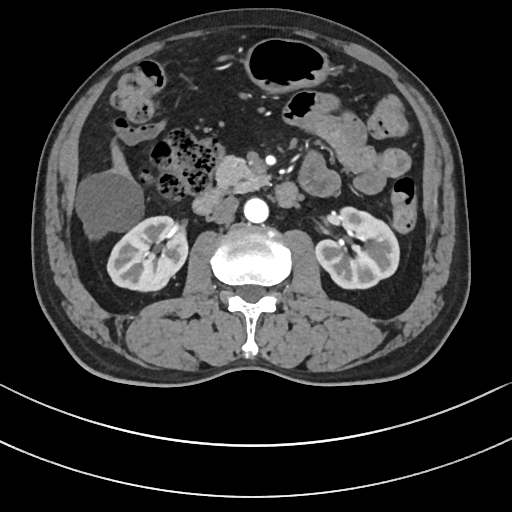 CT, abdomen/pelvis; axial plane, index 121; W/L 400/40 HU; 512x512 px; SOMATOM Force scanner
Bounding boxes as [x1, y1, x2, y2] in pixel coordinates.
Organ bounding boxes:
- right kidney: [107, 216, 187, 291]
- left kidney: [315, 207, 399, 288]
- liver: [76, 143, 141, 236]
- stomach: [245, 38, 329, 93]
- aorta: [244, 198, 268, 223]
- inferior vena cava: [212, 196, 238, 223]
- pancreas: [216, 156, 269, 192]
- duodenum: [193, 182, 298, 214]